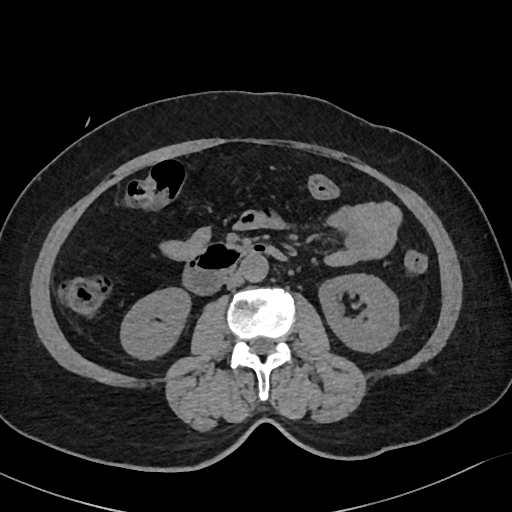
Computed tomography, abdomen; axial plane, index 114; SOMATOM Force scanner
Bounding boxes in pixels, one row per box: x1, y1 is the top-left corner and x2, y2 the bottom-right.
| organ | x1 | y1 | x2 | y2 |
|---|---|---|---|---|
| inferior vena cava | 225 | 271 | 243 | 287 |
| left kidney | 318 | 273 | 398 | 350 |
| duodenum | 185 | 242 | 281 | 293 |
| right kidney | 121 | 289 | 188 | 358 |
| aorta | 241 | 254 | 269 | 281 |